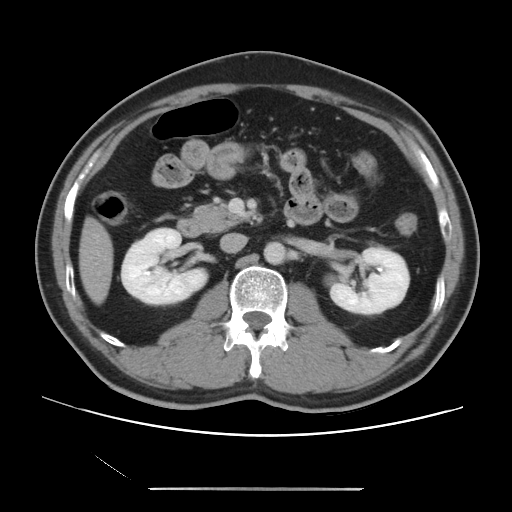
Computed tomography, abdomen — axial view — 512x512 px — SOMATOM Force scanner — 15 organs annotated in this scan (a whole-scan count: organs this slice does not pass through have no box)
Boxes: x1:y1:x2:y2 in pixels.
right kidney: 121:228:207:304
left kidney: 329:247:409:314
liver: 79:216:113:304
aorta: 263:241:286:264
inferior vena cava: 220:233:247:253
pancreas: 193:204:255:231
duodenum: 177:219:205:237